CT abdomen. Axial slice 109/207. 512x512 px. SOMATOM Force scanner
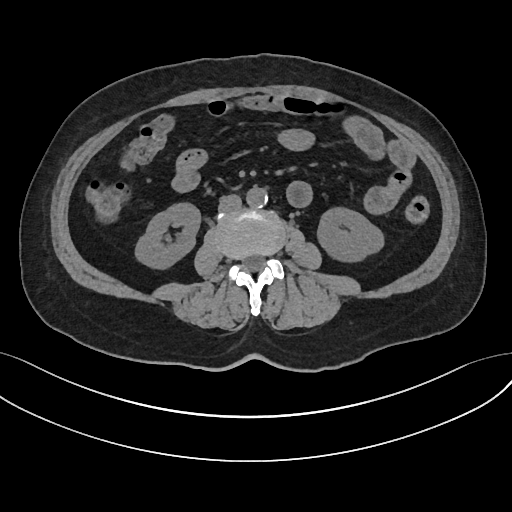

Boxes: x1 y1 x2 y2 (pixel coords, space-separated).
right kidney: 135 203 200 268
left kidney: 317 207 383 261
aorta: 246 187 267 207
inferior vena cava: 218 194 241 212